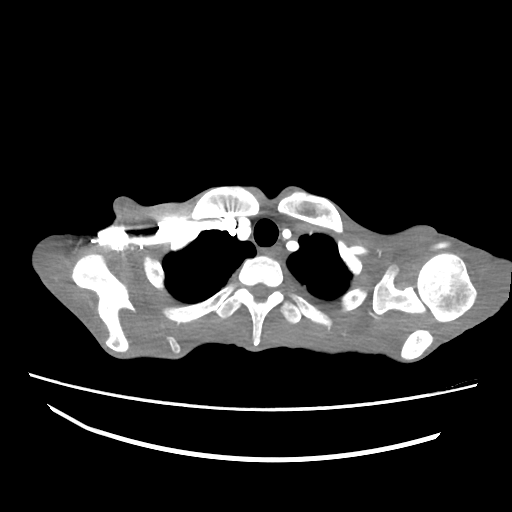

Chest-level CT slice, above the liver and spleen. Axial slice 119/123. W/L 400/40 HU
At this level of the chest no structure but the esophagus and the aorta has a label in this dataset, and those two are boxed only where they are labeled.
Boxes are (x1, y1, x2, y2) in pixels.
esophagus: (262, 246, 282, 258)